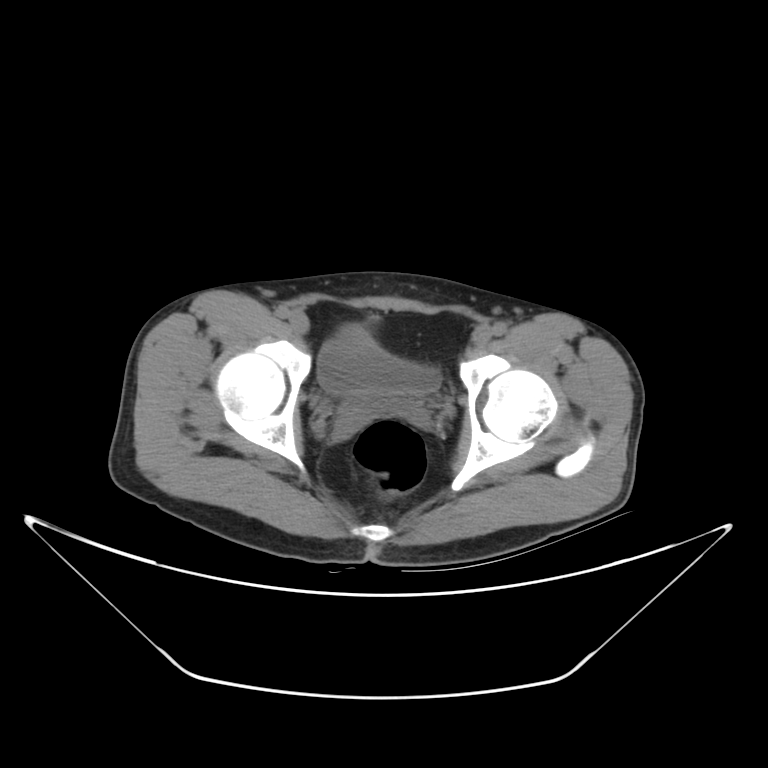
CT, abdomen/pelvis. axial view. soft-tissue window (W 400 / L 40). 31-year-old male patient. Brilliance16 scanner
{"organs":{"bladder":[318,327,440,394]}}